Chest-level slice from an abdominal CT that extends up into the chest. axial plane, index 254. 512x512 px. 15 organs annotated in this scan (counted over the whole 3D scan, not this slice; an organ is boxed only where this slice passes through it)
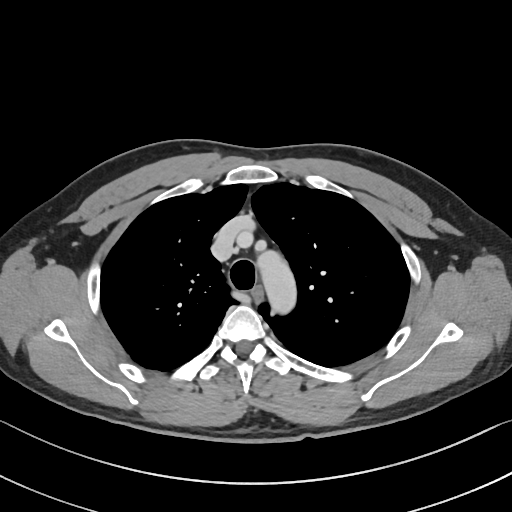 At this level of the chest this dataset labels only the esophagus and the aorta, and each is boxed only where it is labeled; the heart and lungs are never labeled. Boxes: x1:y1:x2:y2 in pixels. The annotated organs in this slice are: esophagus at 252:287:262:300, aorta at 257:251:296:313.